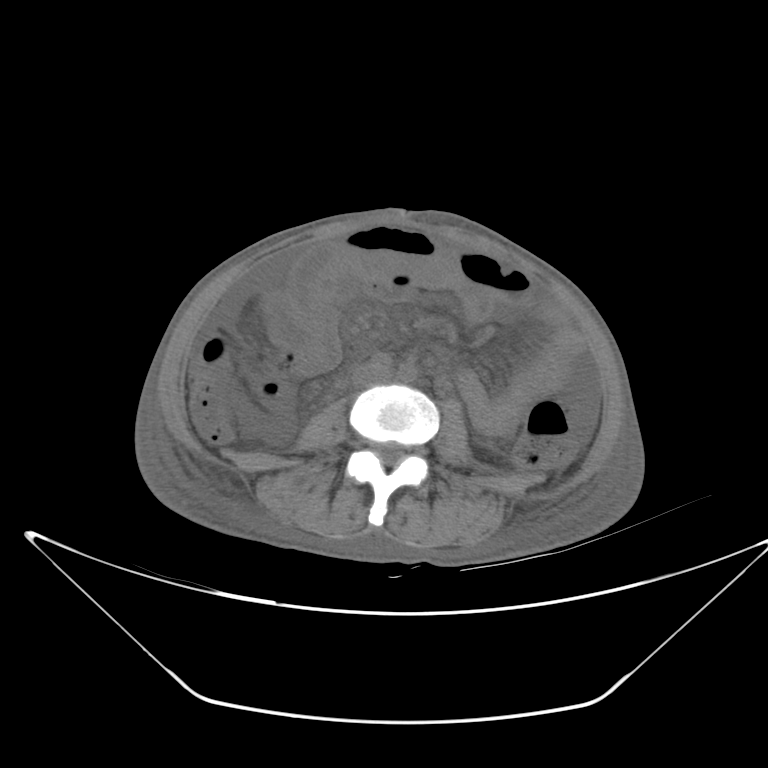

Computed tomography, abdomen; axial view; 56-year-old female patient
Box edges are left/top/right/bottom in pixels. 1 labeled organ on this slice — inferior vena cava at left=353, top=366, right=384, bottom=386.